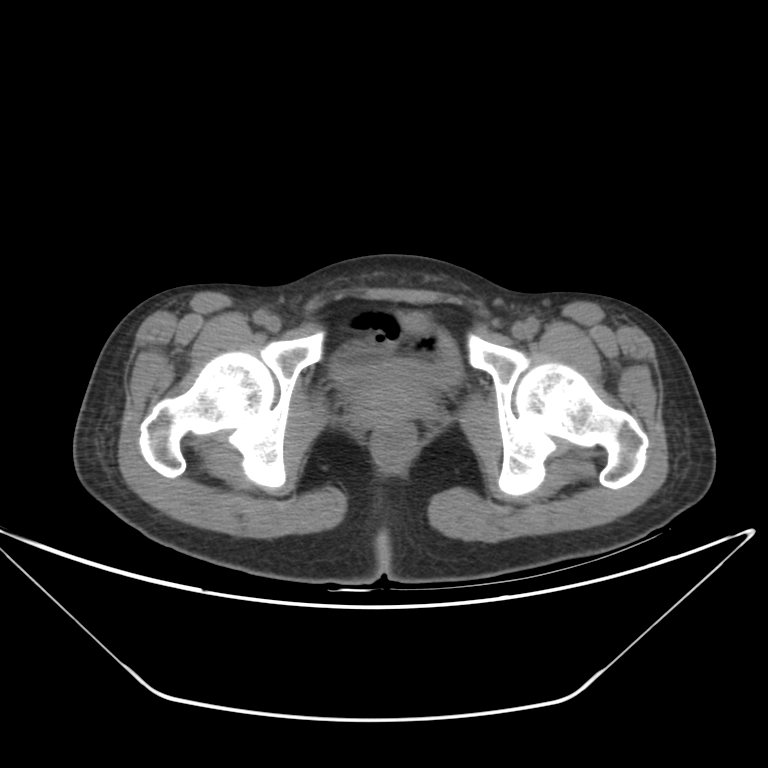

CT abdomen; axial view; 32-year-old female patient
Each box given as x1,y1,x2,y2.
bladder: x1=331, y1=313, x2=462, y2=384
prostate/uterus: x1=350, y1=375, x2=431, y2=424